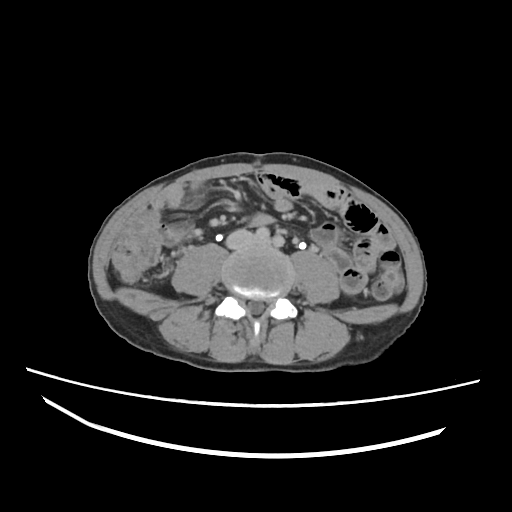
Abdominal CT; axial plane, index 52
Boxes: x1:y1:x2:y2 in pixels.
Organ bounding boxes:
- inferior vena cava: 225:230:254:249